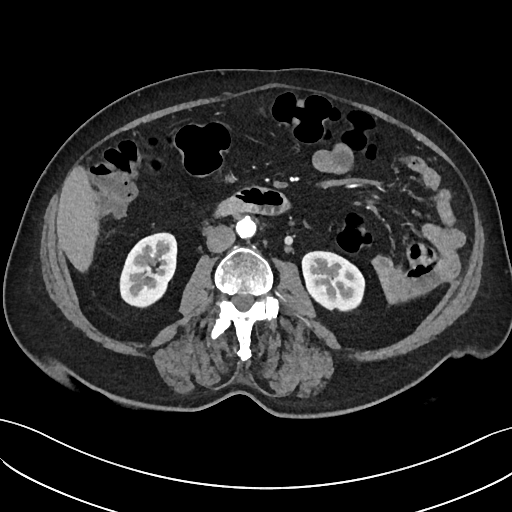 CT, abdomen/pelvis — axial plane, index 106
Boxes: x1 y1 x2 y2 (pixel coords, space-separated).
Organ bounding boxes:
- right kidney: 120 233 176 307
- left kidney: 302 251 364 310
- liver: 56 166 97 272
- aorta: 236 216 256 238
- inferior vena cava: 206 225 235 252
- duodenum: 216 186 289 215